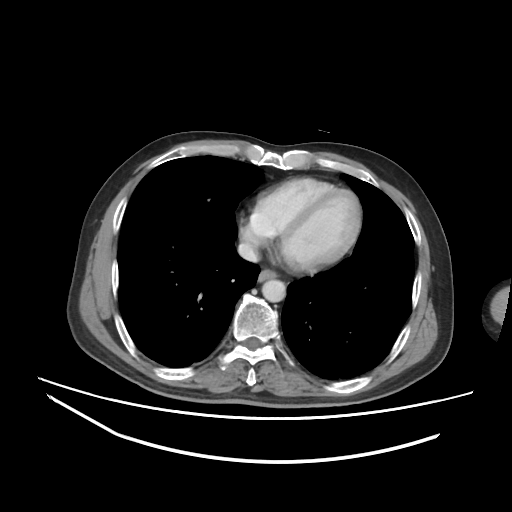 CT of the abdomen reaching into the lower chest, slice just above the liver and spleen · axial view · acquired on Aquilion ONE
No part of the heart or lungs is labeled in this dataset, so neither has a box here.
Bounding boxes in pixels, one row per box: x1, y1 is the top-left corner and x2, y2 the bottom-right.
| organ | x1 | y1 | x2 | y2 |
|---|---|---|---|---|
| esophagus | 258 | 269 | 277 | 281 |
| aorta | 262 | 279 | 285 | 302 |
| inferior vena cava | 237 | 242 | 259 | 262 |